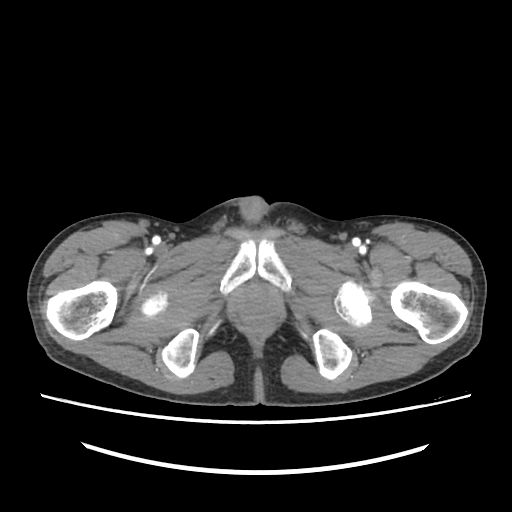
Computed tomography, abdomen · axial view · W/L 400/40 HU · 512x512 px · 46-year-old male patient · scan has 15 labeled organs (a whole-scan count: organs this slice does not pass through have no box)
One row per box, in pixels: columns x1 and y1 give the top-left corner, x2 and y2 the bottom-right.
| organ | x1 | y1 | x2 | y2 |
|---|---|---|---|---|
| prostate/uterus | 242 | 286 | 268 | 309 |